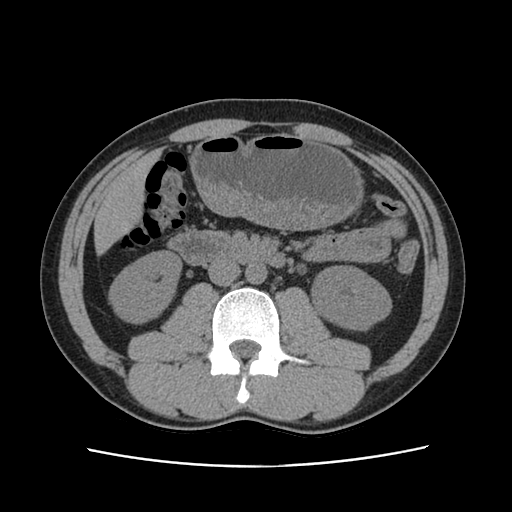
Computed tomography, abdomen. axial view. 512x512 px. acquired on SOMATOM Force
<organs><organ name="right kidney" x1="109" y1="250" x2="181" y2="323"/><organ name="left kidney" x1="311" y1="265" x2="391" y2="330"/><organ name="liver" x1="94" y1="149" x2="161" y2="255"/><organ name="stomach" x1="189" y1="134" x2="362" y2="229"/><organ name="aorta" x1="245" y1="263" x2="267" y2="284"/><organ name="inferior vena cava" x1="208" y1="259" x2="240" y2="285"/><organ name="duodenum" x1="168" y1="231" x2="285" y2="267"/></organs>